CT, abdomen/pelvis — axial view — 512x512 px — 73-year-old female patient — acquired on Aquilion ONE
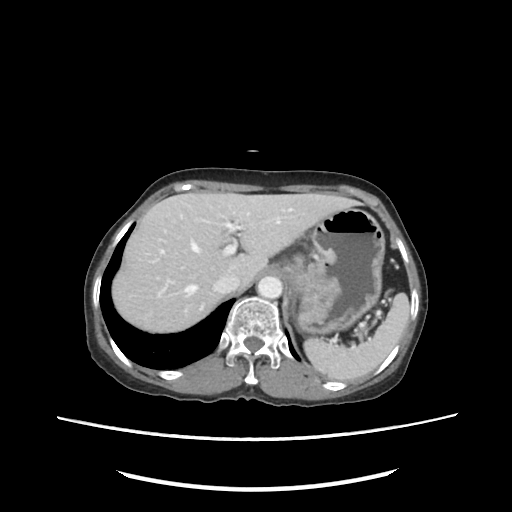

Organ boxes in pixel coordinates; each row gives the top-left (x1, y1) and bottom-right (x2, y2) corners.
| organ | x1 | y1 | x2 | y2 |
|---|---|---|---|---|
| spleen | 305 | 292 | 409 | 379 |
| liver | 111 | 192 | 359 | 333 |
| stomach | 264 | 206 | 384 | 333 |
| aorta | 258 | 277 | 282 | 299 |
| inferior vena cava | 212 | 273 | 238 | 295 |